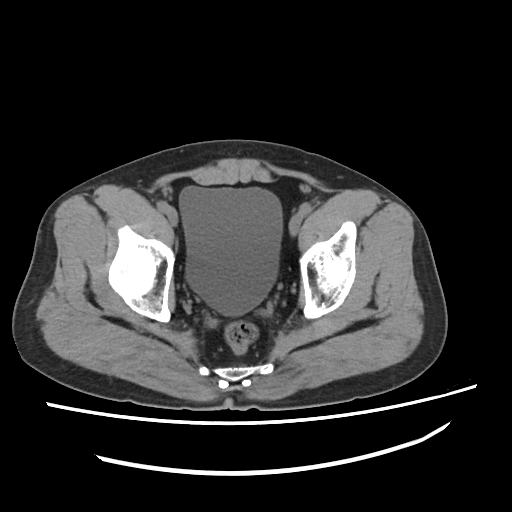
Abdominal CT. axial view. W/L 400/40 HU. 512x512 px. acquired on Aquilion ONE
<organs><organ name="bladder" x1="177" y1="185" x2="281" y2="316"/></organs>